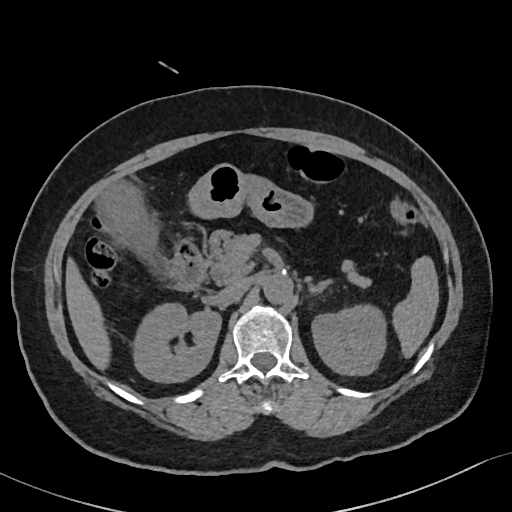
CT abdomen · axial view
<organs><organ name="left adrenal gland" x1="311" y1="281" x2="325" y2="291"/><organ name="right kidney" x1="134" y1="303" x2="220" y2="382"/><organ name="spleen" x1="394" y1="257" x2="439" y2="357"/><organ name="liver" x1="65" y1="261" x2="110" y2="369"/><organ name="gall bladder" x1="99" y1="182" x2="156" y2="257"/><organ name="duodenum" x1="163" y1="246" x2="229" y2="291"/><organ name="inferior vena cava" x1="221" y1="276" x2="248" y2="297"/><organ name="aorta" x1="263" y1="273" x2="292" y2="302"/><organ name="pancreas" x1="205" y1="230" x2="366" y2="285"/><organ name="left kidney" x1="311" y1="305" x2="386" y2="375"/><organ name="stomach" x1="191" y1="162" x2="311" y2="226"/></organs>